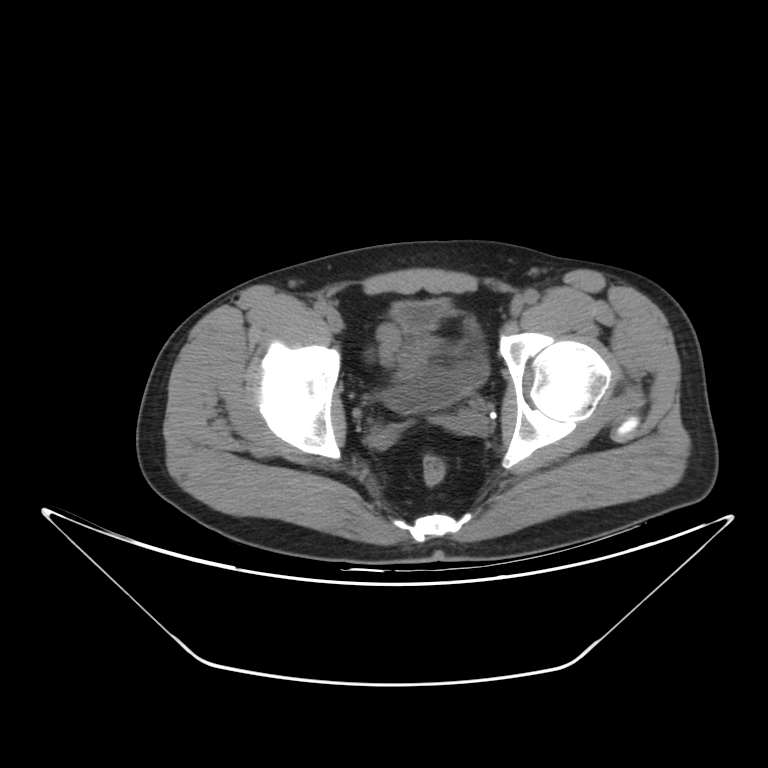
Computed tomography, abdomen; axial view; 768x768 px
<organs><organ name="bladder" x1="383" y1="300" x2="488" y2="412"/></organs>